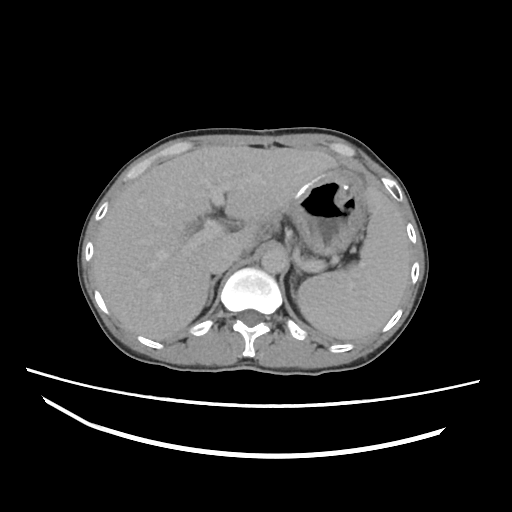 CT abdomen. Axial slice 82/101. 512x512 px. 40-year-old male patient. 15 organs annotated in this scan (counted over the whole 3D scan, not this slice; an organ is boxed only where this slice passes through it)
Coordinates as <box>x1,y1,x2,y2</box> in pixels. 7 labeled organs on this slice — stomach at <box>287,168,368,255</box>; aorta at <box>261,248,286,274</box>; spleen at <box>297,188,410,341</box>; liver at <box>92,144,340,341</box>; inferior vena cava at <box>205,242,242,274</box>; left adrenal gland at <box>290,282,296,300</box>; right adrenal gland at <box>205,277,219,306</box>.